CT, abdomen/pelvis · Axial slice 267/345 · abdomen soft-tissue window · 15 organs annotated in this scan (counted over the whole 3D scan, not this slice; an organ is boxed only where this slice passes through it)
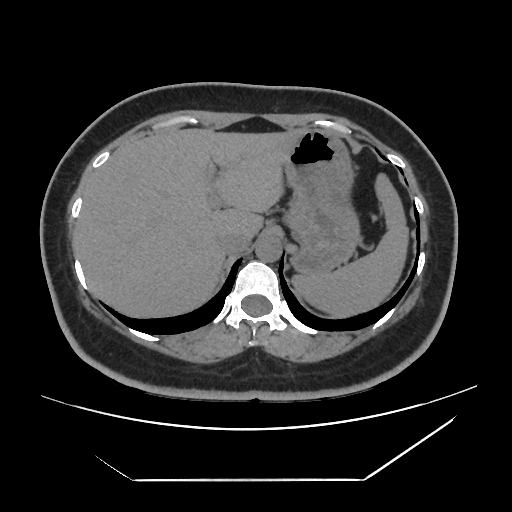

Box edges are left/top/right/bottom in pixels.
Organ bounding boxes:
- spleen: left=292, top=173, right=408, bottom=317
- liver: left=75, top=128, right=302, bottom=317
- stomach: left=283, top=128, right=360, bottom=273
- aorta: left=255, top=236, right=281, bottom=262
- inferior vena cava: left=219, top=232, right=251, bottom=254